CT abdomen — axial plane, index 173 — soft-tissue window — 512x512 px
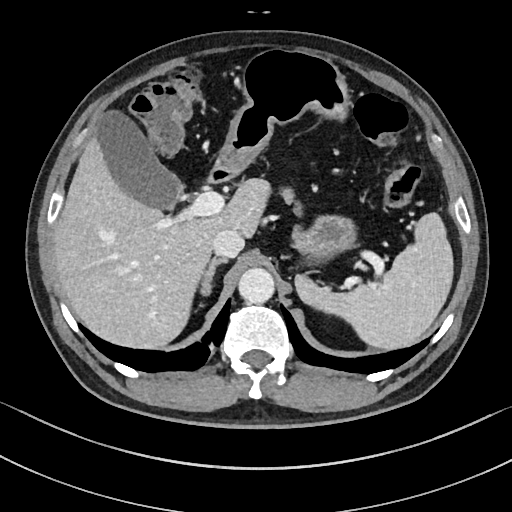 Box edges are left/top/right/bottom in pixels.
spleen: left=295, top=213, right=453, bottom=349
gall bladder: left=97, top=111, right=182, bottom=209
liver: left=53, top=136, right=269, bottom=348
stomach: left=219, top=49, right=356, bottom=260
aorta: left=238, top=268, right=274, bottom=303
inferior vena cava: left=212, top=229, right=244, bottom=257
pancreas: left=281, top=189, right=300, bottom=215
right adrenal gland: left=200, top=257, right=227, bottom=295
duodenum: left=207, top=159, right=240, bottom=183